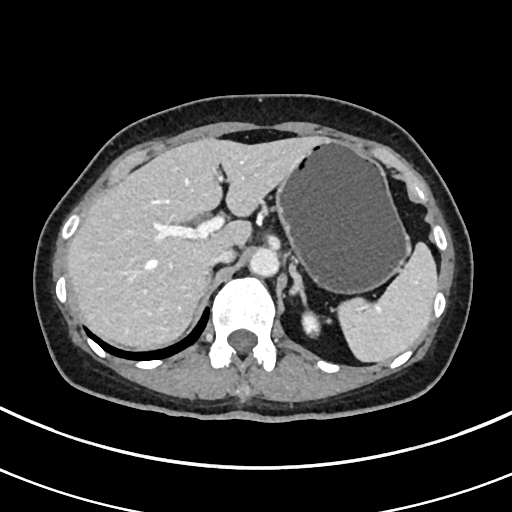
CT abdomen. axial view. W/L 400/40 HU
Organ boxes in pixel coordinates; each row gives the top-left (x1, y1) and bottom-right (x2, y2) corners.
| organ | x1 | y1 | x2 | y2 |
|---|---|---|---|---|
| inferior vena cava | 209 | 248 | 235 | 264 |
| liver | 67 | 136 | 323 | 349 |
| left kidney | 299 | 311 | 317 | 338 |
| stomach | 274 | 140 | 407 | 291 |
| left adrenal gland | 289 | 257 | 308 | 305 |
| spleen | 336 | 241 | 437 | 362 |
| aorta | 249 | 247 | 278 | 275 |
| right adrenal gland | 203 | 270 | 212 | 292 |